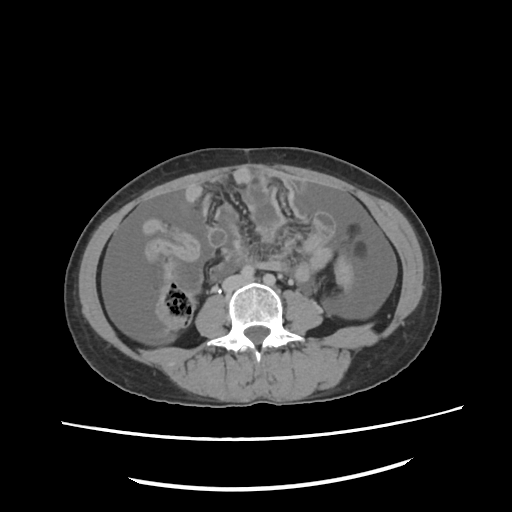 CT abdomen · axial view · 39-year-old female patient · acquired on Aquilion ONE
One row per box, in pixels: columns x1 and y1 give the top-left corner, x2 and y2 the bottom-right.
| organ | x1 | y1 | x2 | y2 |
|---|---|---|---|---|
| inferior vena cava | 221 | 273 | 251 | 293 |